CT of the abdomen extending into the chest, slice through the chest · Axial slice 107/128 · W/L 400/40 HU · 15 organs annotated in this scan (that count is for the whole scan; organs this slice misses have no box)
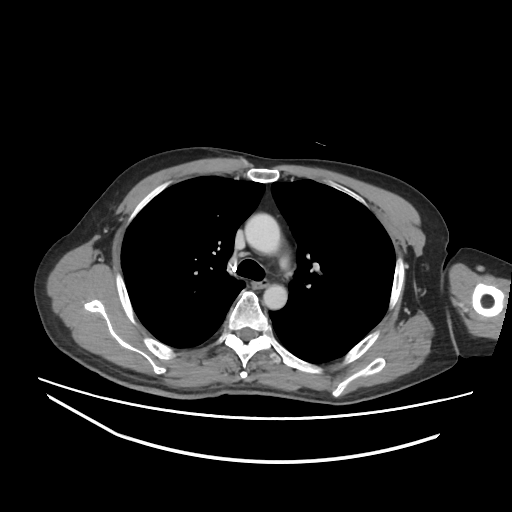
At this level of the chest this dataset labels only the esophagus and the aorta, and each is boxed only where it is labeled; the heart and lungs are never labeled.
{"organs":{"esophagus":[252,279,268,288],"aorta":[[244,213,280,254],[263,284,287,309]]}}